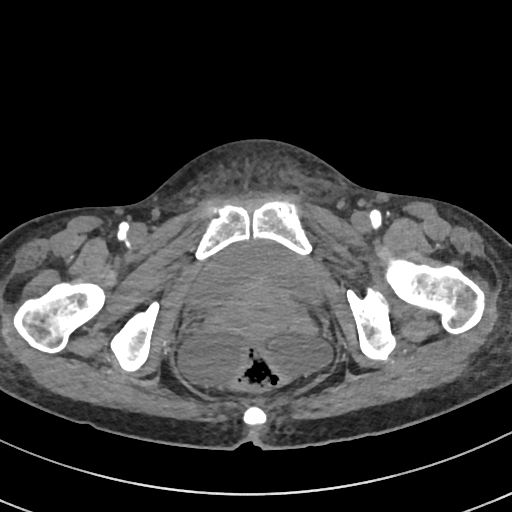
Abdominal CT — Axial slice 17/237
Organ boxes in pixel coordinates; each row gives the top-left (x1, y1) and bottom-right (x2, y2) corners.
| organ | x1 | y1 | x2 | y2 |
|---|---|---|---|---|
| bladder | 187 | 242 | 323 | 306 |
| prostate/uterus | 224 | 279 | 291 | 325 |